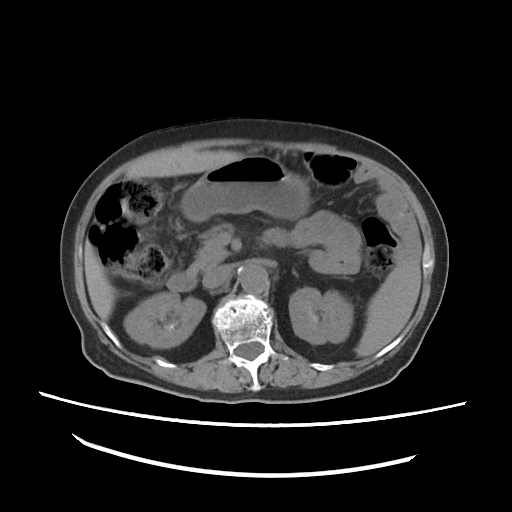 Abdominal CT. axial plane, index 64. 75-year-old female patient
Coordinates as <box>x1,y1,x2,y2</box> in pixels.
Organ bounding boxes:
- spleen: <box>354,261,421,356</box>
- right kidney: <box>124,292,206,346</box>
- left kidney: <box>289,286,353,343</box>
- liver: <box>86,150,244,320</box>
- stomach: <box>179,156,311,220</box>
- aorta: <box>236,263,267,293</box>
- inferior vena cava: <box>203,262,231,287</box>
- pancreas: <box>188,223,233,273</box>
- duodenum: <box>167,272,196,292</box>